Computed tomography, abdomen; Axial slice 83/100; 768x768 px; 52-year-old male patient
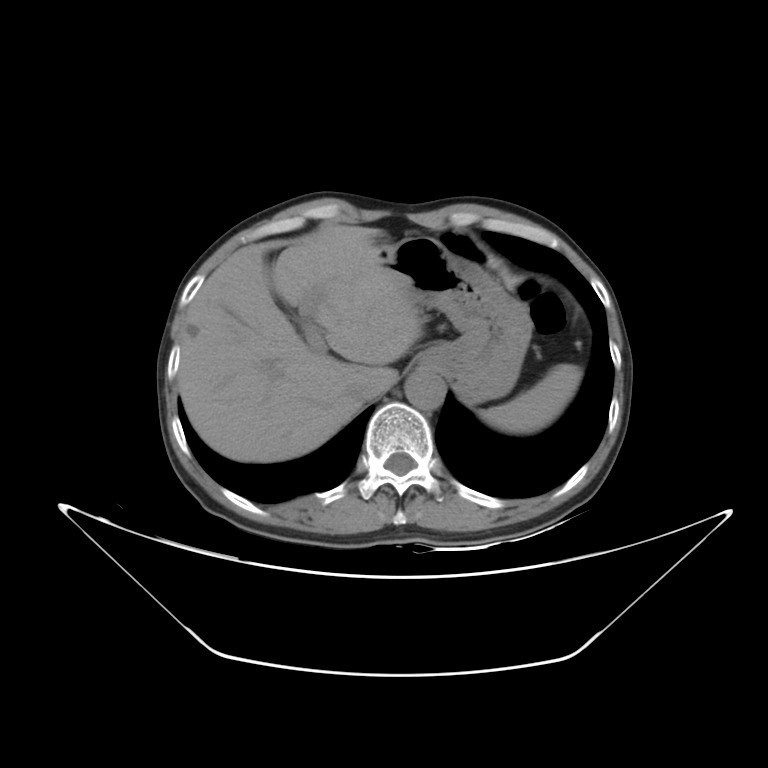 Box edges are left/top/right/bottom in pixels.
aorta: left=405, top=368, right=445, bottom=410
inferior vena cava: left=346, top=383, right=366, bottom=401
liver: left=177, top=225, right=423, bottom=462
stomach: left=378, top=235, right=532, bottom=403
spleen: left=478, top=364, right=582, bottom=433